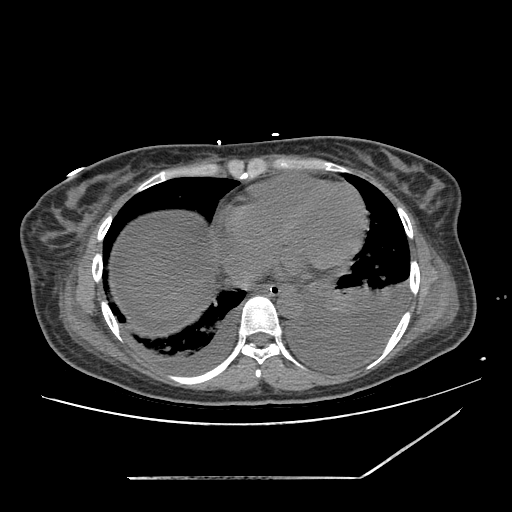

CT, abdomen/pelvis; axial view; 512x512 px
Box edges are left/top/right/bottom in pixels.
stomach: left=278, top=287, right=293, bottom=295
aorta: left=277, top=289, right=302, bottom=317
esophagus: left=256, top=283, right=291, bottom=295
inferior vena cava: left=225, top=262, right=257, bottom=288
liver: left=124, top=228, right=215, bottom=320